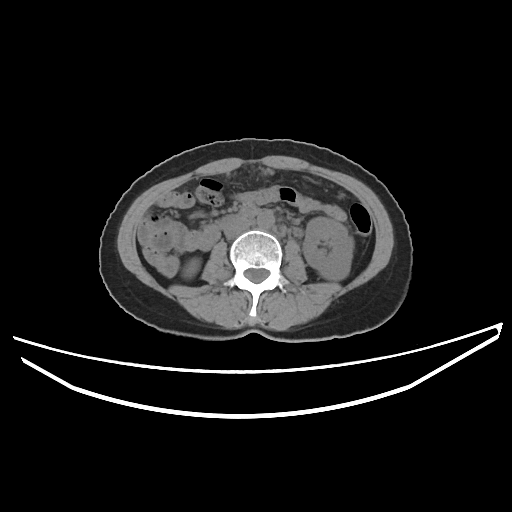
CT abdomen; axial view; abdomen soft-tissue window; scan has 15 labeled organs (that count is for the whole scan; organs this slice misses have no box)
Bounding boxes as [x1, y1, x2, y2] in pixel coordinates. 4 labeled organs on this slice — inferior vena cava at [223, 219, 251, 238]; left kidney at [303, 217, 353, 280]; aorta at [257, 210, 274, 228]; right kidney at [182, 257, 200, 278].